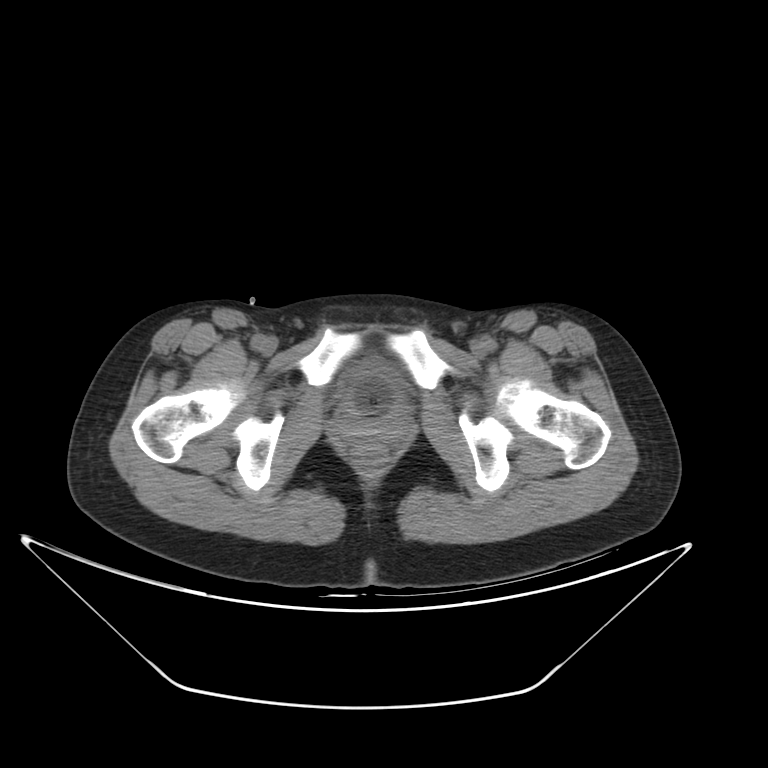

CT, abdomen/pelvis — axial plane, index 13
Box edges are left/top/right/bottom in pixels.
Organ bounding boxes:
- bladder: left=343, top=364, right=402, bottom=420